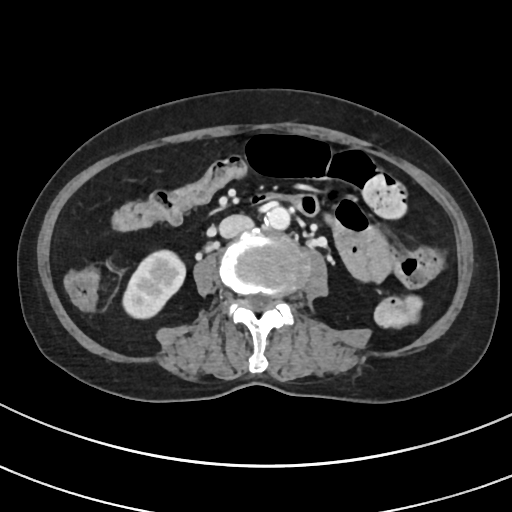

Abdominal CT. axial view. abdomen soft-tissue window. 15 organs annotated in this scan (counted over the whole 3D scan, not this slice; an organ is boxed only where this slice passes through it)
Bounding boxes as [x1, y1, x2, y2] in pixel coordinates.
right kidney: [122, 252, 184, 317]
aorta: [264, 206, 290, 229]
inferior vena cava: [219, 214, 254, 238]